Abdominal CT reaching into the chest; this slice is in the chest; axial view; W/L 400/40 HU; 34-year-old female patient; acquired on Aquilion ONE
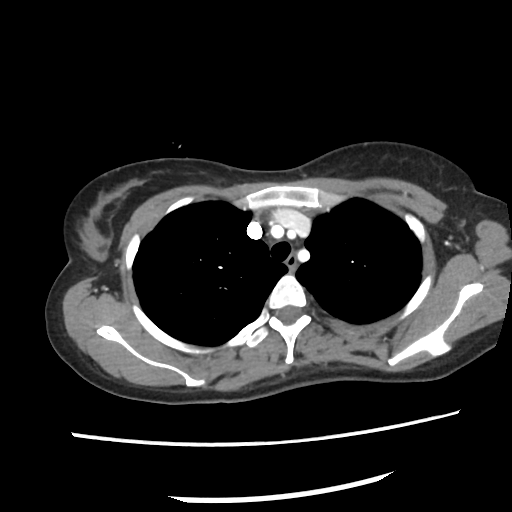 At this level of the chest this dataset labels only the esophagus and the aorta, and each is boxed only where it is labeled; the heart and lungs are never labeled.
Boxes: x1:y1:x2:y2 in pixels.
esophagus: 284:254:296:270